Computed tomography, abdomen; axial view; 15 organs annotated in this scan (that count is for the whole scan; organs this slice misses have no box)
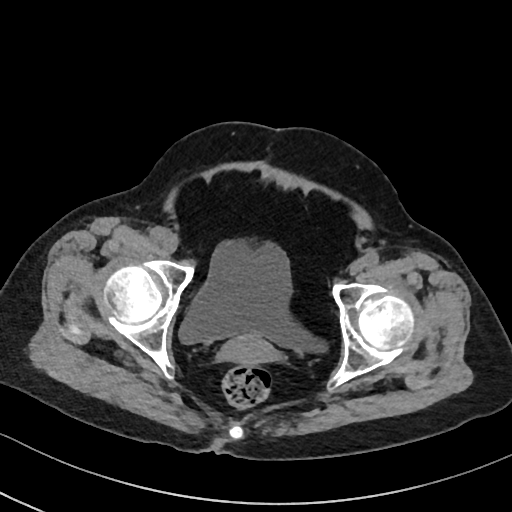

One row per box, in pixels: columns x1 and y1 give the top-left corner, x2 and y2 the bottom-right.
| organ | x1 | y1 | x2 | y2 |
|---|---|---|---|---|
| prostate/uterus | 219 | 333 | 275 | 365 |
| bladder | 179 | 240 | 324 | 351 |